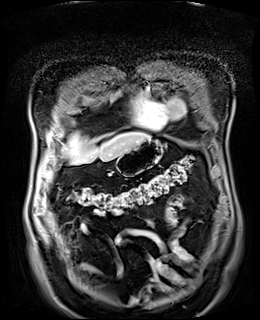
Abdominal MR — coronal plane, index 123 — 1st–99th percentile window — 260x320 px
Boxes: x1 y1 x2 y2 (pixel coords, space-separated). Labeled organs on this slice: liver at 68 131 150 164, stomach at 117 138 162 176.